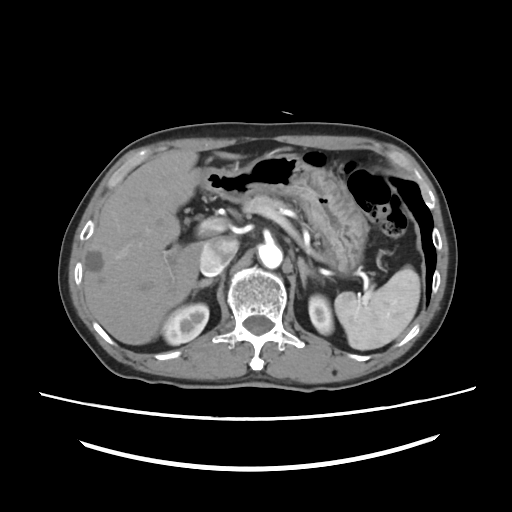 CT abdomen · axial plane, index 69 · soft-tissue window (W 400 / L 40)
One row per box, in pixels: columns x1 and y1 give the top-left corner, x2 and y2 the bottom-right.
| organ | x1 | y1 | x2 | y2 |
|---|---|---|---|---|
| spleen | 334 | 266 | 420 | 350 |
| right kidney | 161 | 303 | 209 | 345 |
| left kidney | 308 | 294 | 333 | 334 |
| liver | 83 | 149 | 241 | 344 |
| stomach | 194 | 149 | 368 | 271 |
| aorta | 258 | 243 | 282 | 268 |
| inferior vena cava | 199 | 237 | 238 | 275 |
| pancreas | 242 | 194 | 287 | 210 |
| right adrenal gland | 194 | 278 | 215 | 289 |
| left adrenal gland | 298 | 257 | 318 | 287 |